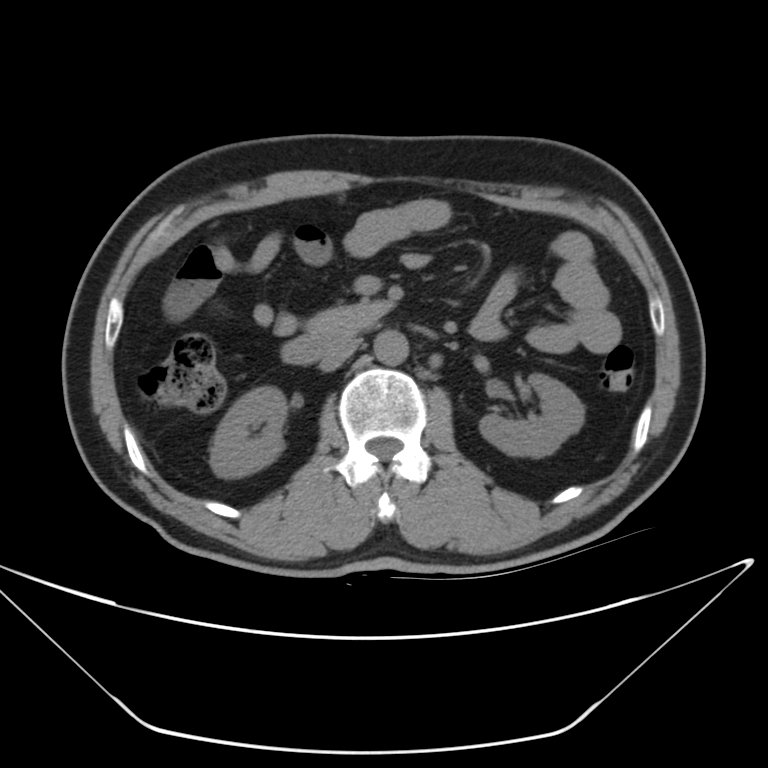 Computed tomography, abdomen. axial plane, index 71. abdomen soft-tissue window
Boxes are (x1, y1, x2, y2) in pixels.
Organ bounding boxes:
- inferior vena cava: (318, 337, 359, 373)
- right kidney: (210, 385, 288, 477)
- pancreas: (308, 297, 392, 334)
- left kidney: (479, 376, 582, 454)
- aorta: (375, 328, 408, 367)
- duodenum: (281, 332, 352, 365)